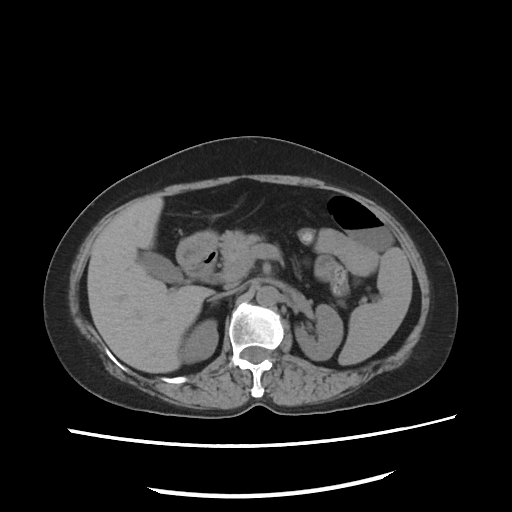 CT, abdomen/pelvis; axial view; 512x512 px
Box edges are left/top/right/bottom in pixels.
Organ bounding boxes:
- spleen: left=339, top=248, right=413, bottom=366
- right kidney: left=180, top=321, right=217, bottom=364
- left kidney: left=294, top=304, right=341, bottom=360
- gall bladder: left=136, top=252, right=181, bottom=283
- liver: left=88, top=198, right=215, bottom=373
- stomach: left=175, top=230, right=216, bottom=268
- aorta: left=257, top=286, right=278, bottom=305
- inferior vena cava: left=218, top=284, right=244, bottom=298
- pancreas: left=220, top=230, right=261, bottom=279
- duodenum: left=187, top=251, right=217, bottom=282